CT, abdomen/pelvis · axial plane, index 24 · soft-tissue window (W 400 / L 40) · 768x768 px
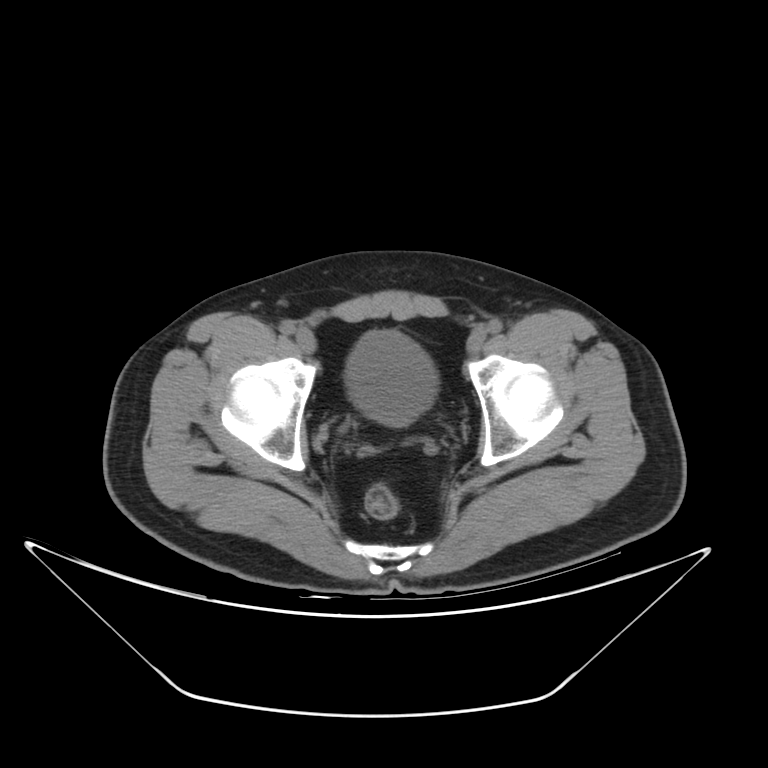
Box edges are left/top/right/bottom in pixels.
bladder: left=345, top=330, right=437, bottom=426